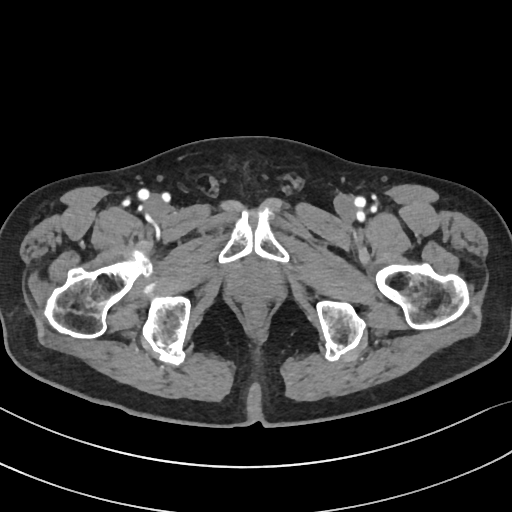

Abdominal CT — axial view — W/L 400/40 HU — 512x512 px — SOMATOM Force scanner
Organ boxes in pixel coordinates; each row gives the top-left (x1, y1) and bottom-right (x2, y2) corners.
| organ | x1 | y1 | x2 | y2 |
|---|---|---|---|---|
| prostate/uterus | 237 | 267 | 272 | 299 |